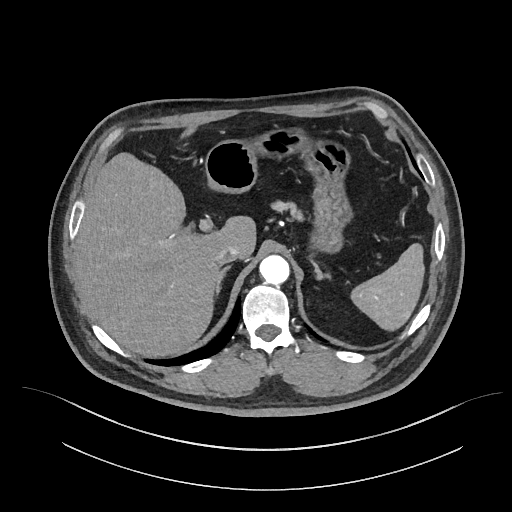
Abdominal CT; axial view; abdomen soft-tissue window; acquired on SOMATOM Force
Box edges are left/top/right/bottom in pixels. 8 labeled organs on this slice — stomach at left=205, top=129, right=349, bottom=252; spleen at left=353, top=242, right=425, bottom=331; aorta at left=259, top=254, right=289, bottom=283; liver at left=74, top=153, right=255, bottom=357; left adrenal gland at left=309, top=258, right=329, bottom=278; inferior vena cava at left=216, top=245, right=239, bottom=264; right adrenal gland at left=214, top=264, right=232, bottom=298; pancreas at left=270, top=203, right=305, bottom=220.